Abdominal CT. Axial slice 79/90. 512x512 px. acquired on Aquilion ONE
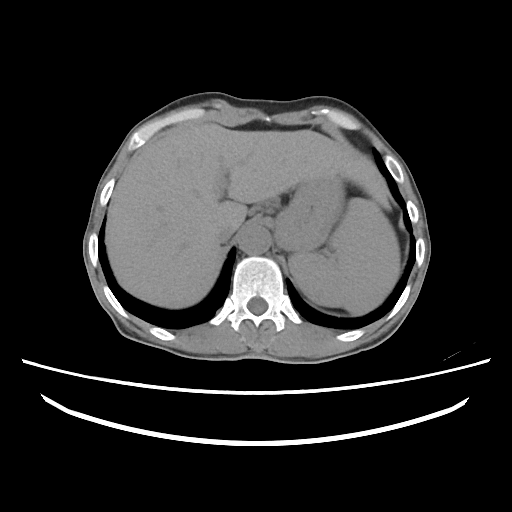 Organ boxes in pixel coordinates; each row gives the top-left (x1, y1) and bottom-right (x2, y2) corners.
| organ | x1 | y1 | x2 | y2 |
|---|---|---|---|---|
| spleen | 288 | 198 | 400 | 314 |
| liver | 104 | 123 | 390 | 308 |
| stomach | 258 | 176 | 345 | 252 |
| aorta | 238 | 226 | 270 | 255 |
| inferior vena cava | 215 | 226 | 234 | 242 |